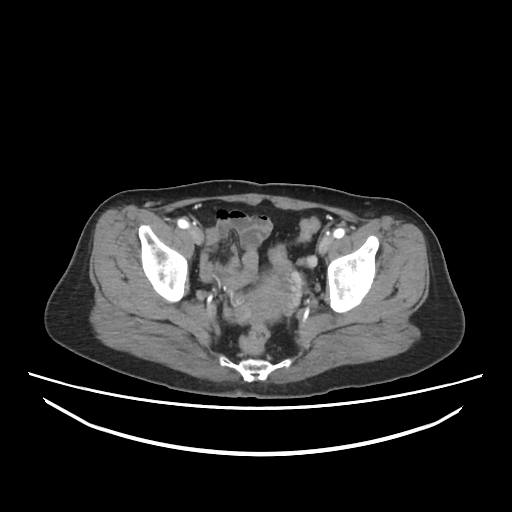

Computed tomography, abdomen — axial view — abdomen soft-tissue window
One row per box, in pixels: columns x1 and y1 give the top-left corner, x2 and y2 the bottom-right.
| organ | x1 | y1 | x2 | y2 |
|---|---|---|---|---|
| prostate/uterus | 250 | 278 | 283 | 319 |